CT, abdomen/pelvis — axial view
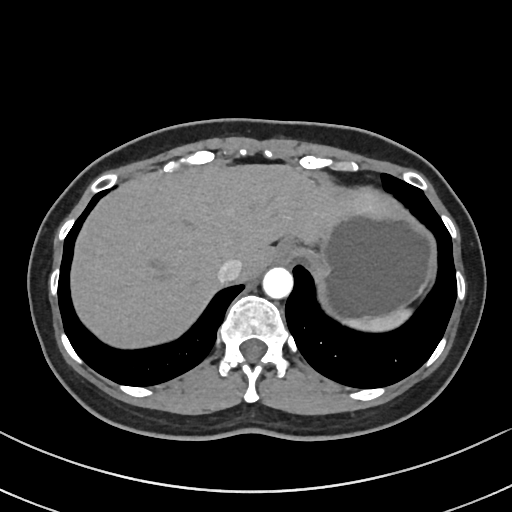
Coordinates as <box>x1,y1,x2,y2</box> in pixels. The annotated organs in this slice are: spleen at <box>341,308,408,331</box>, esophagus at <box>275,241,295,263</box>, liver at <box>69,164,393,350</box>, stomach at <box>284,204,435,318</box>, aorta at <box>263,266,292,297</box>, inferior vena cava at <box>217,257,244,282</box>.